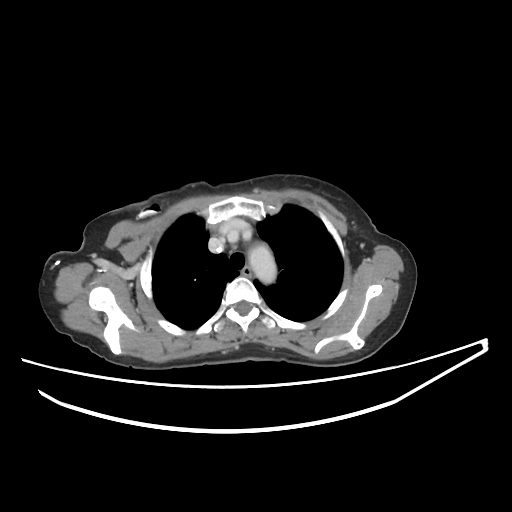

Chest-level CT slice, above the liver and spleen. axial view. soft-tissue window. 62-year-old female patient. acquired on Aquilion ONE
At this level of the chest no structure but the esophagus and the aorta has a label in this dataset, and those two are boxed only where they are labeled.
<organs><organ name="aorta" x1="248" y1="244" x2="276" y2="283"/><organ name="esophagus" x1="242" y1="266" x2="250" y2="275"/></organs>